CT, abdomen/pelvis; Axial slice 17/108; 56-year-old male patient
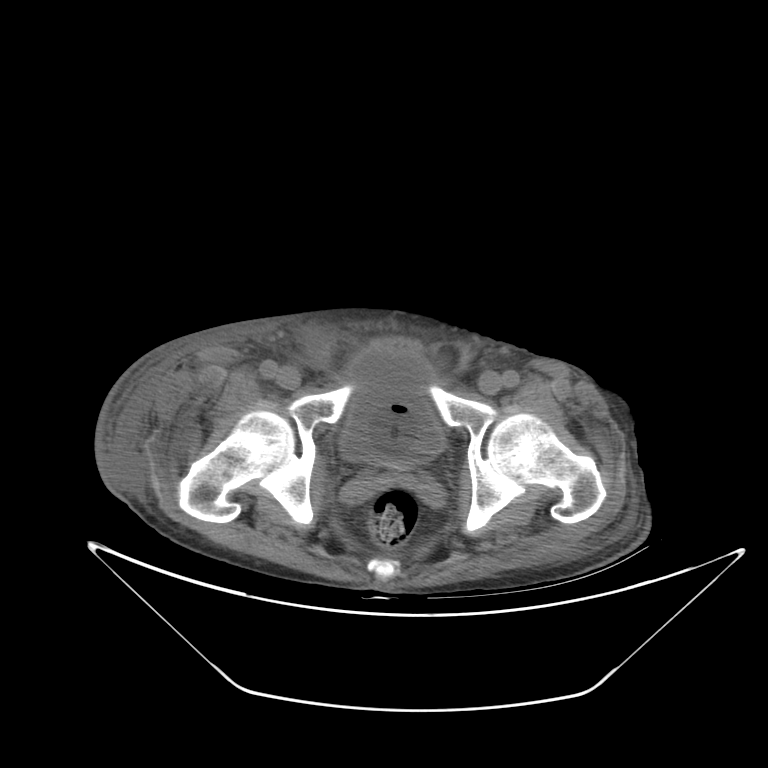

{"organs":{"bladder":[339,344,444,466]}}